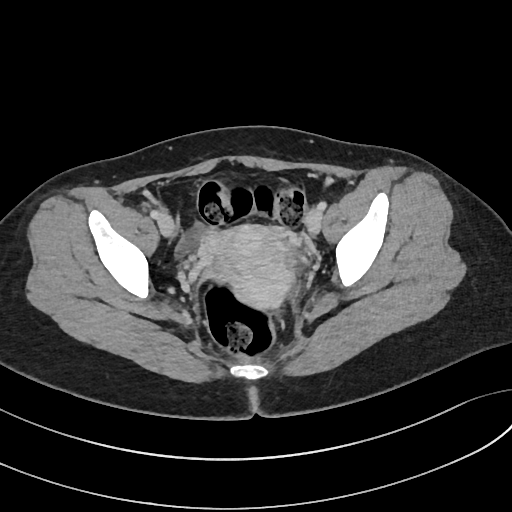 CT abdomen; axial view; W/L 400/40 HU; 512x512 px
Coordinates as <box>x1,y1,x2,y2</box> in pixels.
Organ bounding boxes:
- prostate/uterus: <box>206,225,298,313</box>